Abdominal CT; axial plane, index 64
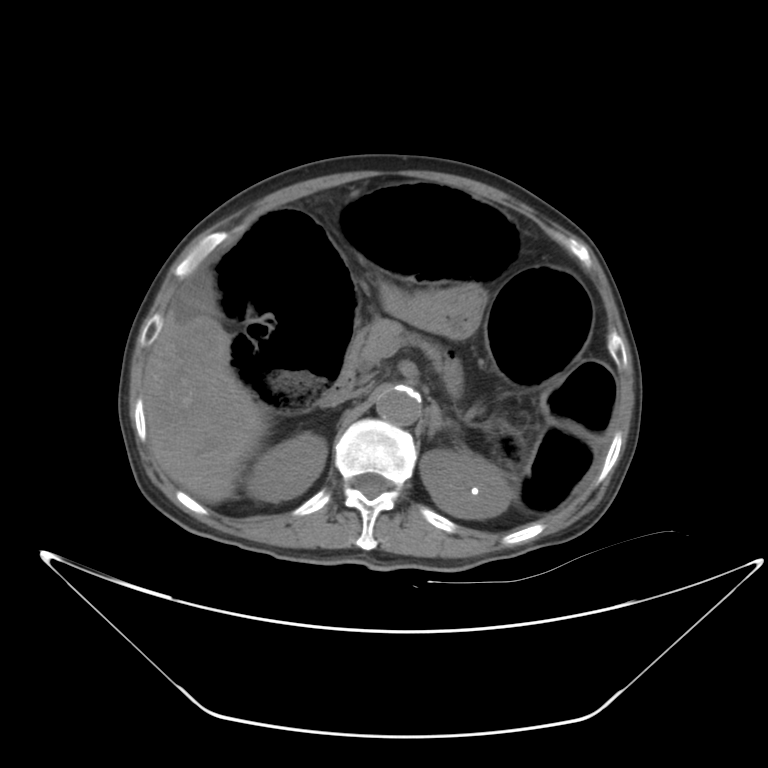 <organs><organ name="right kidney" x1="245" y1="432" x2="326" y2="501"/><organ name="left kidney" x1="420" y1="449" x2="513" y2="519"/><organ name="gall bladder" x1="177" y1="297" x2="211" y2="315"/><organ name="liver" x1="143" y1="302" x2="268" y2="503"/><organ name="stomach" x1="380" y1="285" x2="484" y2="339"/><organ name="aorta" x1="375" y1="382" x2="421" y2="425"/><organ name="inferior vena cava" x1="327" y1="390" x2="361" y2="405"/><organ name="pancreas" x1="344" y1="318" x2="462" y2="396"/><organ name="left adrenal gland" x1="427" y1="402" x2="457" y2="438"/><organ name="duodenum" x1="329" y1="369" x2="354" y2="397"/></organs>